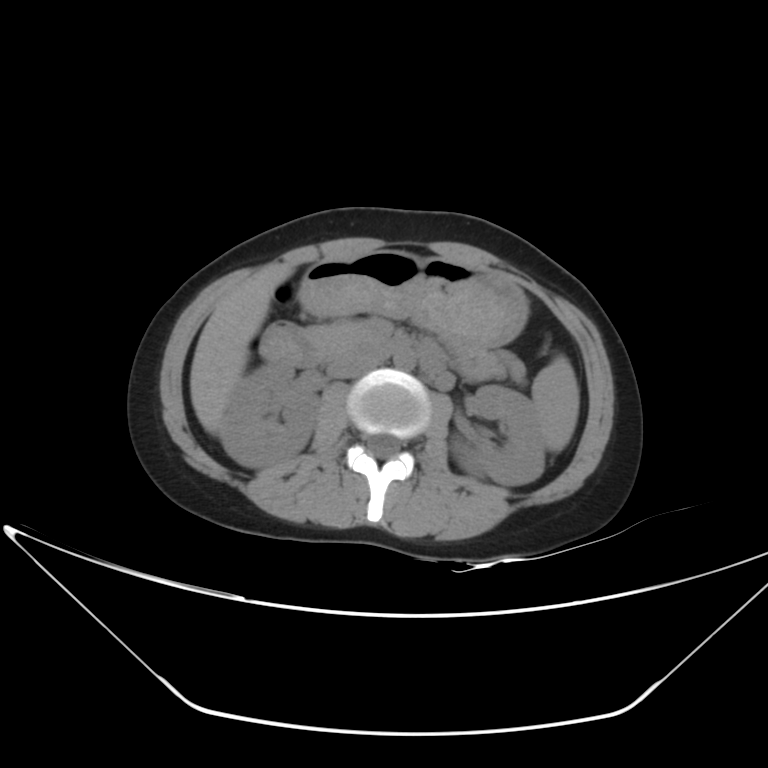
CT abdomen; Axial slice 54/81; 28-year-old female patient
Organ boxes in pixel coordinates; each row gives the top-left (x1, y1) and bottom-right (x2, y2) corners.
| organ | x1 | y1 | x2 | y2 |
|---|---|---|---|---|
| spleen | 531 | 356 | 579 | 452 |
| liver | 189 | 264 | 292 | 434 |
| stomach | 298 | 250 | 527 | 347 |
| inferior vena cava | 327 | 353 | 382 | 378 |
| duodenum | 258 | 324 | 442 | 367 |
| aorta | 394 | 350 | 416 | 370 |
| right kidney | 221 | 363 | 320 | 466 |
| left kidney | 452 | 385 | 544 | 485 |
| pancreas | 307 | 321 | 524 | 382 |